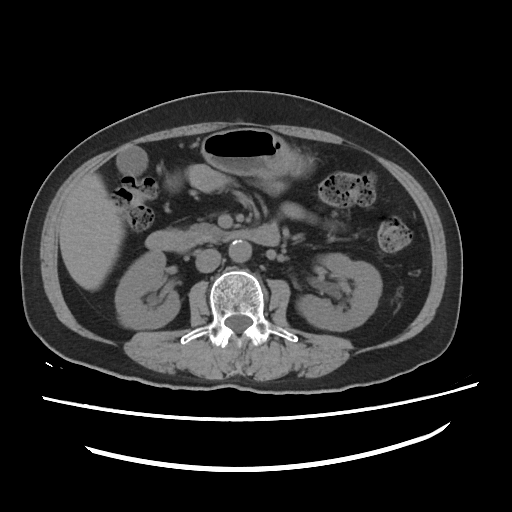 Abdominal CT — axial view — soft-tissue window
Boxes: x1 y1 x2 y2 (pixel coords, space-separated).
right kidney: 115 251 179 328
left kidney: 296 253 381 331
gall bladder: 116 146 147 175
liver: 59 173 123 290
stomach: 201 128 305 176
aorta: 228 240 251 262
inferior vena cava: 195 248 220 272
pancreas: 180 223 233 244
duodenum: 145 223 279 251